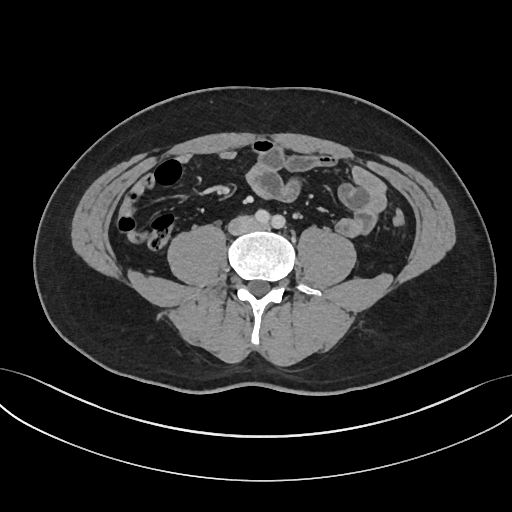

CT abdomen. axial plane, index 117. soft-tissue window (W 400 / L 40)
Boxes: x1 y1 x2 y2 (pixel coords, space-separated).
Organ bounding boxes:
- inferior vena cava: 229 214 259 235